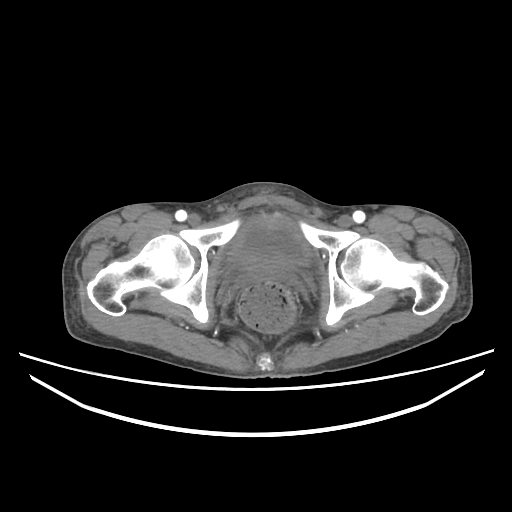 Abdominal CT · axial view · soft-tissue window (W 400 / L 40) · 512x512 px · 50-year-old male patient · 14 organs annotated in this scan (that count is for the whole scan; organs this slice misses have no box)
<organs><organ name="bladder" x1="229" y1="216" x2="308" y2="267"/><organ name="prostate/uterus" x1="249" y1="261" x2="289" y2="276"/></organs>